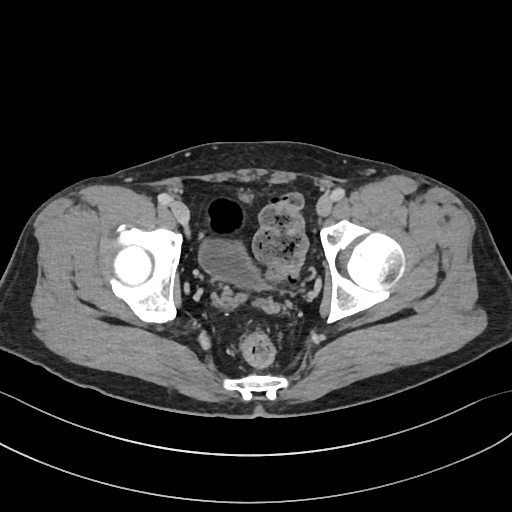

Abdominal CT. Axial slice 44/230. 512x512 px
Each box given as x1,y1,x2,y2.
Organ bounding boxes:
- bladder: x1=200, y1=240, x2=272, y2=291